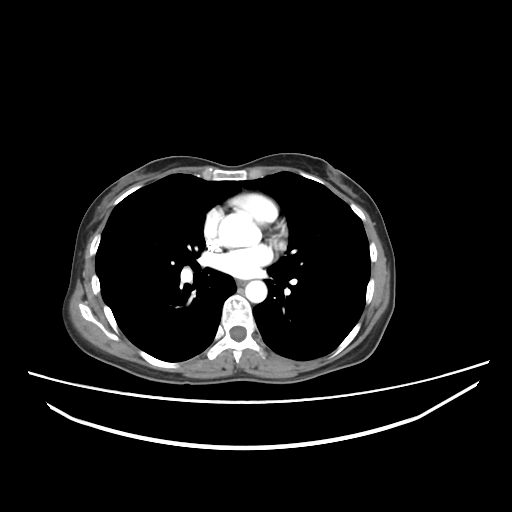
Abdominal CT reaching into the chest; this slice is in the chest · Axial slice 85/114 · soft-tissue window (W 400 / L 40) · 43-year-old female patient
On a slice this high in the chest, this dataset labels only the esophagus and the aorta, and each is boxed only where it is labeled; the heart, lungs and other chest structures are not labeled.
Boxes are (x1, y1, x2, y2) in pixels.
aorta: (219, 212, 258, 247)
aorta: (245, 280, 267, 302)
esophagus: (236, 280, 246, 286)